Abdominal CT; Axial slice 39/87; soft-tissue window; 512x512 px; SOMATOM Force scanner
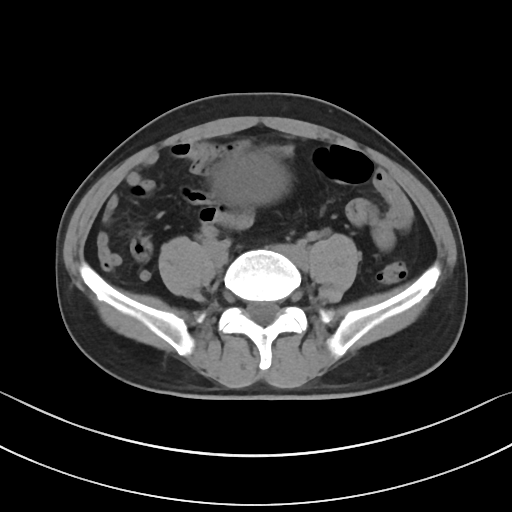 Coordinates as <box>x1,y1,x2,y2</box> in pixels.
Organ bounding boxes:
- bladder: <box>215,156,283,202</box>